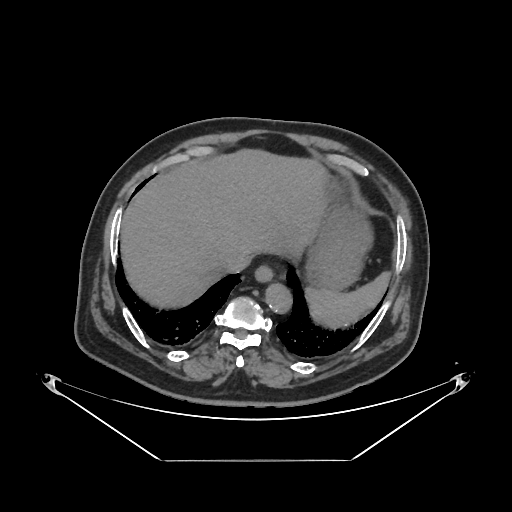 CT abdomen; axial view; 512x512 px; SOMATOM Force scanner
Each box given as x1,y1,x2,y2.
Organ bounding boxes:
- spleen: x1=304, y1=272, x2=390, y2=325
- esophagus: x1=255, y1=263, x2=273, y2=280
- liver: x1=119, y1=149, x2=323, y2=307
- stomach: x1=304, y1=180, x2=370, y2=291
- aorta: x1=264, y1=281, x2=291, y2=311
- inferior vena cava: x1=221, y1=253, x2=249, y2=272